Abdominal CT · axial view · 768x768 px
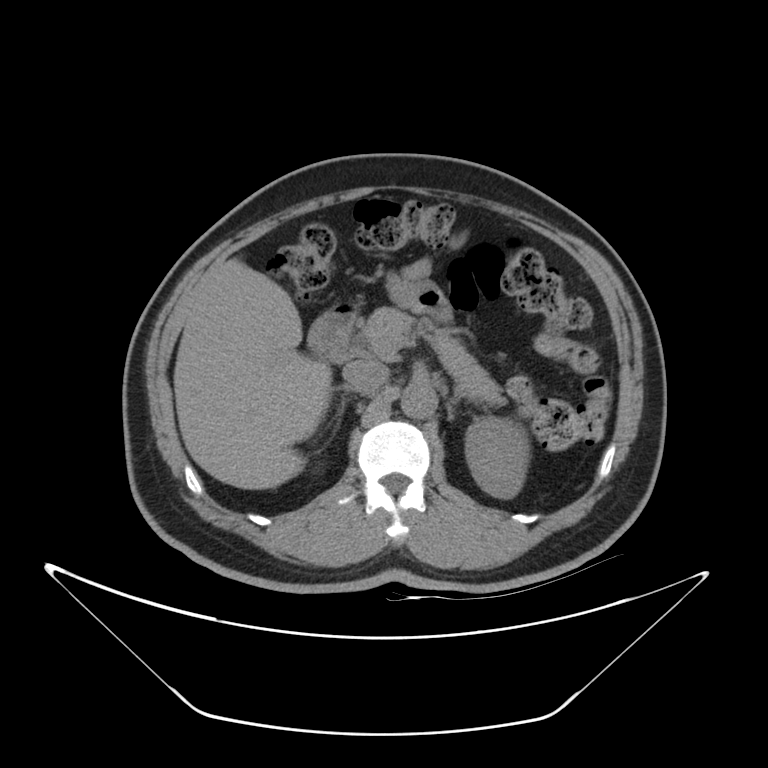
Boxes: x1 y1 x2 y2 (pixel coords, space-separated).
Organ bounding boxes:
- left kidney: 465 416 529 498
- liver: 173 258 331 489
- aorta: 400 383 435 418
- inferior vena cava: 342 359 388 393
- pancreas: 360 307 506 407
- right adrenal gland: 327 384 351 410
- left adrenal gland: 448 391 459 408
- duodenum: 307 303 357 362